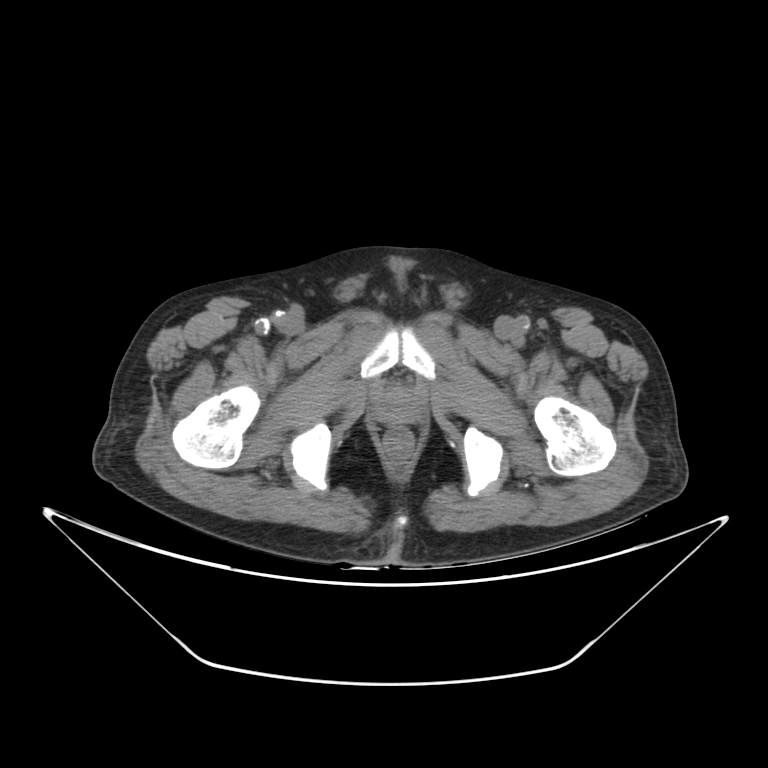
CT abdomen — Axial slice 10/94 — 768x768 px
<organs><organ name="prostate/uterus" x1="378" y1="390" x2="416" y2="421"/></organs>